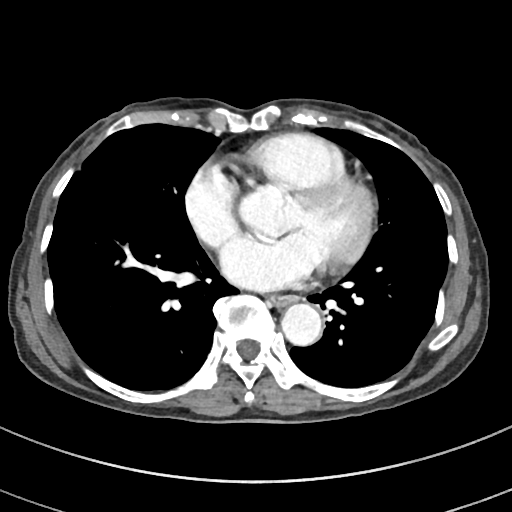 Lower-chest slice from an abdominal CT, just above the liver and spleen. axial view. soft-tissue window. scan has 14 labeled organs (counted over the whole 3D scan, not this slice; an organ is boxed only where this slice passes through it)
Of the structures in the chest, this dataset labels only the esophagus, the aorta and the inferior vena cava; the heart and lungs have no label.
{"organs":{"esophagus":[269,294,293,305],"aorta":[281,303,322,345]}}